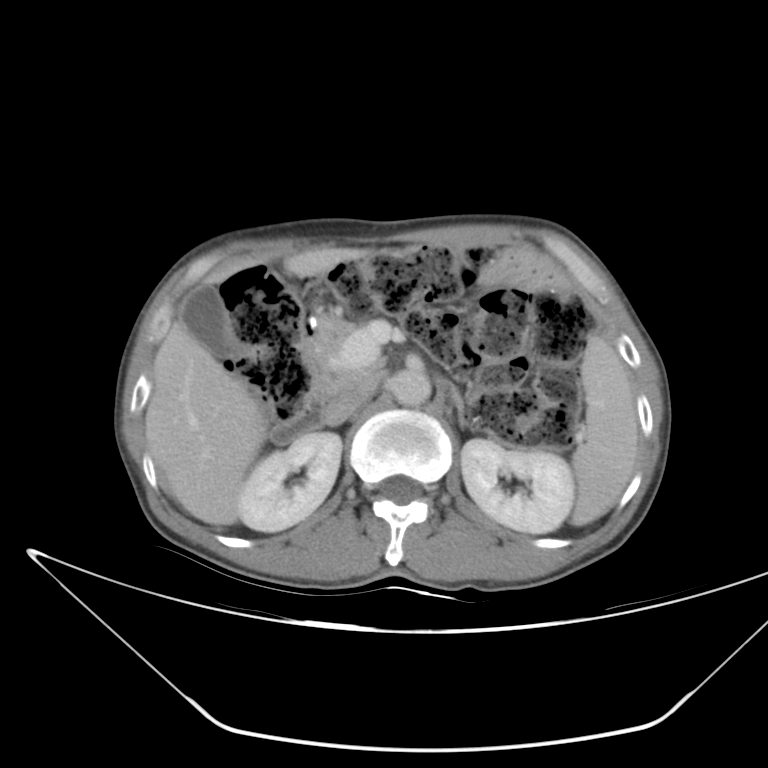

Abdominal CT. axial view. soft-tissue window. 768x768 px. scan has 13 labeled organs (that count is for the whole scan; organs this slice misses have no box)
Bounding boxes as [x1, y1, x2, y2] in pixel coordinates.
Organ bounding boxes:
- pancreas: [309, 317, 391, 397]
- duodenum: [270, 380, 322, 439]
- liver: [144, 249, 382, 526]
- spleen: [566, 335, 639, 526]
- right kidney: [238, 432, 341, 532]
- left kidney: [462, 438, 574, 532]
- inferior vena cava: [325, 370, 385, 423]
- aorta: [389, 361, 429, 405]
- gall bladder: [179, 285, 229, 354]
- left adrenal gland: [448, 387, 464, 437]